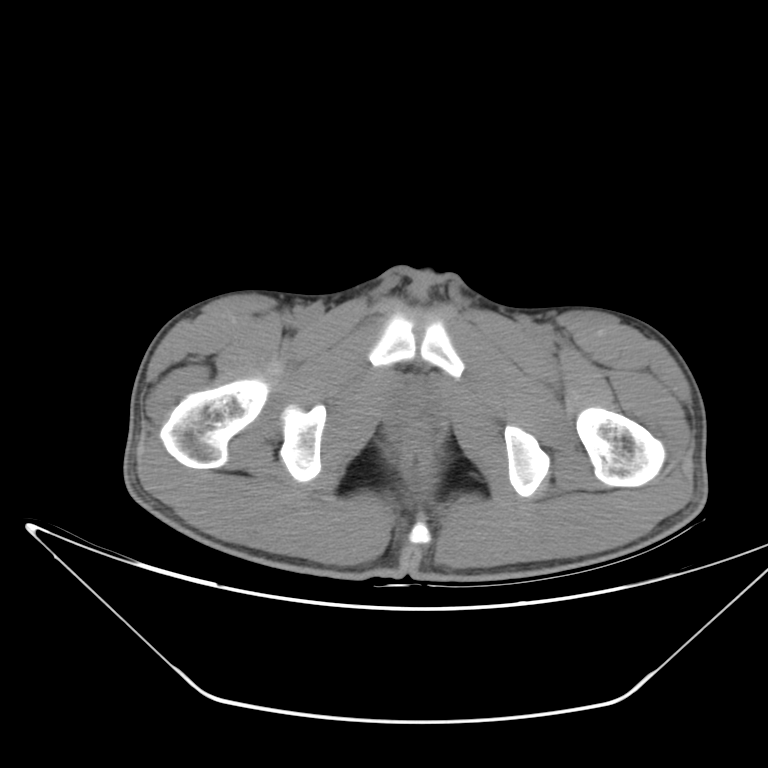
Abdominal CT · axial view · 15 organs annotated in this scan (counted over the whole 3D scan, not this slice; an organ is boxed only where this slice passes through it)
{"organs":{"prostate/uterus":[393,388,437,424]}}